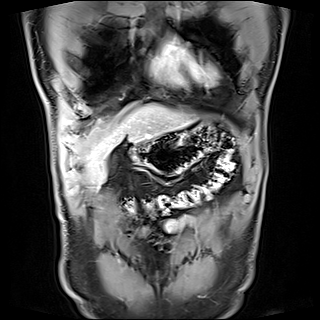
Abdominal MR. Coronal slice 51/60. percentile-normalized. 320x320 px
Box edges are left/top/right/bottom in pixels.
Organ bounding boxes:
- stomach: left=133, top=124, right=215, bottom=176
- gall bladder: left=105, top=151, right=116, bottom=174
- liver: left=86, top=104, right=191, bottom=182